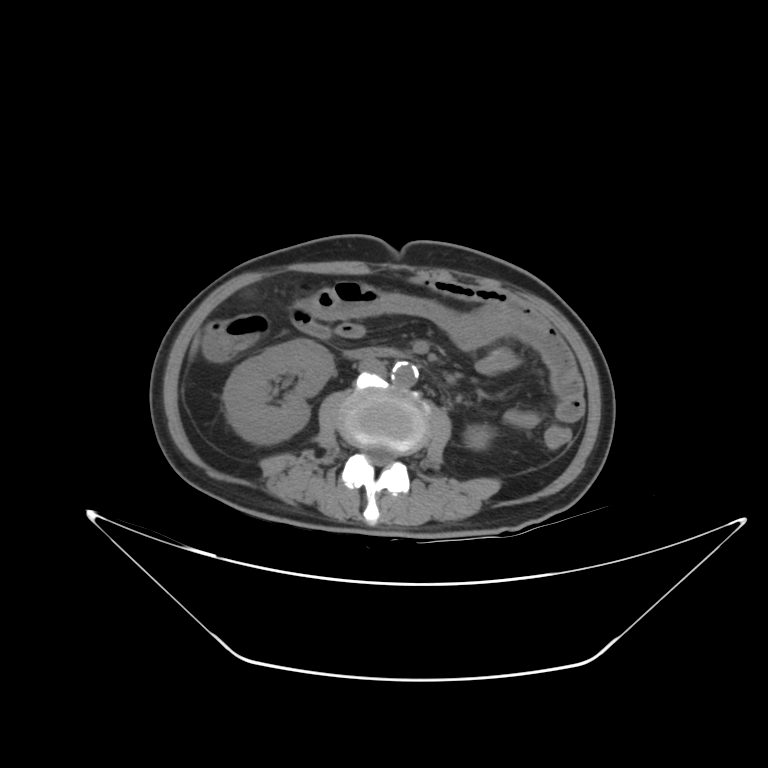

Abdominal CT — axial plane, index 53 — abdomen soft-tissue window
Boxes: x1:y1:x2:y2 in pixels. 6 labeled organs on this slice — right kidney at 223:339:333:444; left kidney at 464:425:492:449; liver at 193:341:196:348; aorta at 391:361:418:387; inferior vena cava at 359:359:386:375; duodenum at 345:348:401:357.